Abdominal CT; this slice is in the lower chest, just above the liver; axial view; soft-tissue window; 15 organs annotated in this scan (a whole-scan count: organs this slice does not pass through have no box)
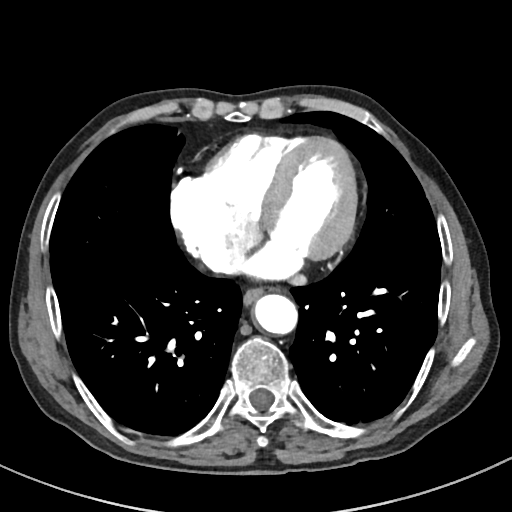
Of the structures in the chest, this dataset labels only the esophagus, the aorta and the inferior vena cava; the heart and lungs have no label.
Coordinates as <box>x1,y1,x2,y2</box> in pixels.
Organ bounding boxes:
- inferior vena cava: <box>204,244,244,271</box>
- esophagus: <box>244,285,282,302</box>
- aorta: <box>253,294,296,334</box>